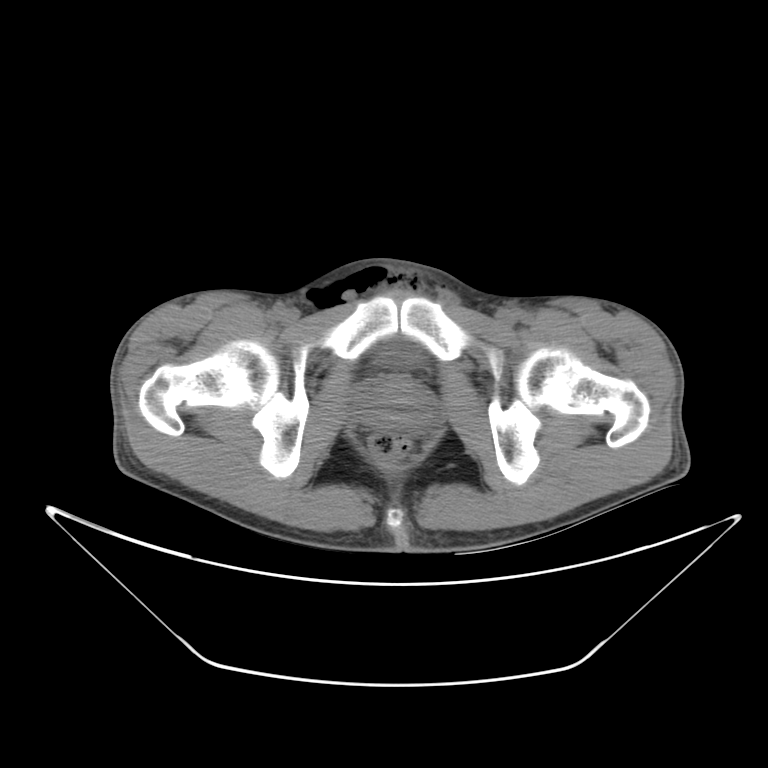

CT abdomen · axial plane, index 13 · soft-tissue window
Boxes: x1 y1 x2 y2 (pixel coords, space-separated).
prostate/uterus: 356 381 434 428